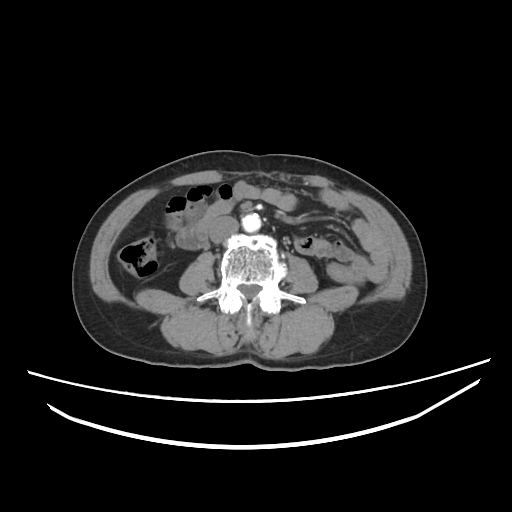

Computed tomography, abdomen; Axial slice 22/109; 512x512 px; 63-year-old male patient; Aquilion ONE scanner
{"organs":{"aorta":[242,213,261,232],"inferior vena cava":[209,216,238,243],"duodenum":[177,229,204,248]}}